CT abdomen; axial view; abdomen soft-tissue window; Aquilion ONE scanner; scan has 15 labeled organs (counted over the whole 3D scan, not this slice; an organ is boxed only where this slice passes through it)
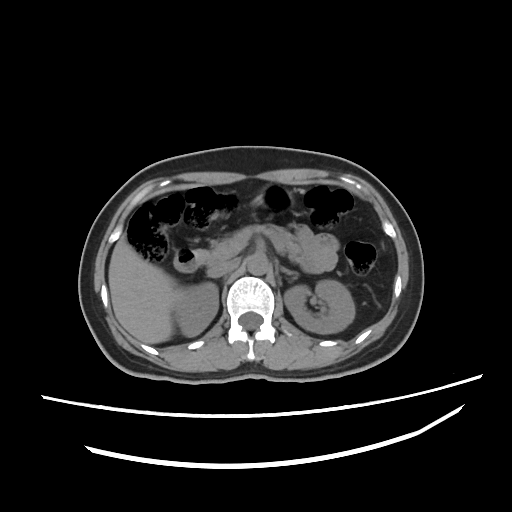 <organs><organ name="right kidney" x1="172" y1="283" x2="219" y2="336"/><organ name="left kidney" x1="283" y1="280" x2="355" y2="333"/><organ name="liver" x1="109" y1="236" x2="175" y2="343"/><organ name="stomach" x1="255" y1="185" x2="294" y2="208"/><organ name="aorta" x1="246" y1="255" x2="266" y2="274"/><organ name="inferior vena cava" x1="207" y1="260" x2="236" y2="277"/><organ name="pancreas" x1="205" y1="224" x2="302" y2="262"/><organ name="left adrenal gland" x1="281" y1="268" x2="292" y2="274"/><organ name="duodenum" x1="174" y1="250" x2="207" y2="271"/></organs>